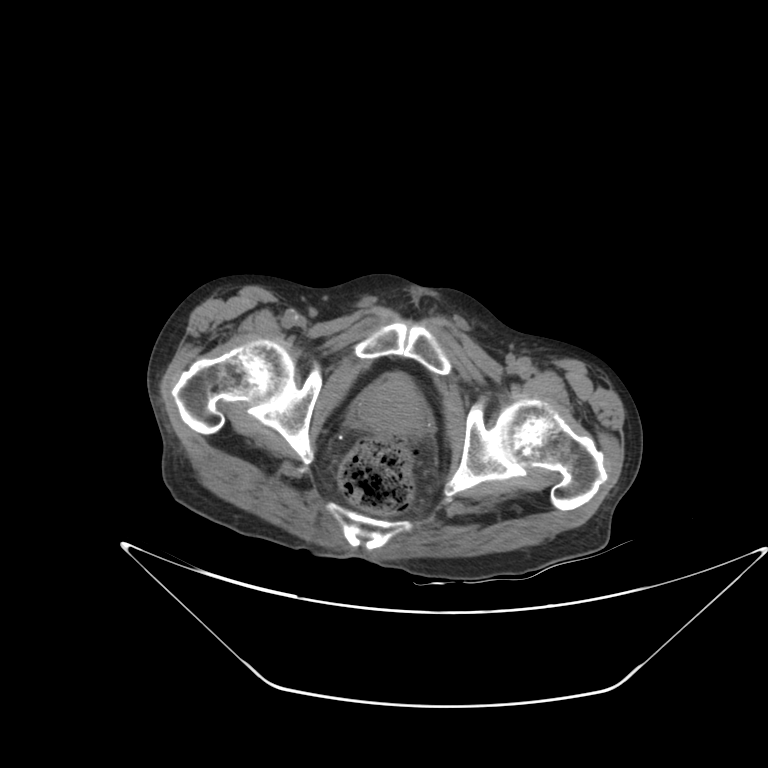 CT abdomen — axial view — 14 organs annotated in this scan (counted over the whole 3D scan, not this slice; an organ is boxed only where this slice passes through it)
Boxes are (x1, y1, x2, y2) in pixels.
Organ bounding boxes:
- prostate/uterus: (357, 374, 427, 437)